Abdominal CT · axial view · W/L 400/40 HU · 512x512 px
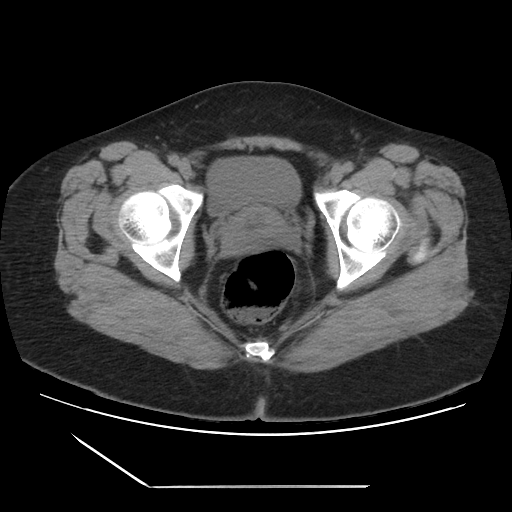

Boxes: x1:y1:x2:y2 in pixels. 2 labeled organs on this slice — bladder at 207:157:301:215; prostate/uterus at 223:206:288:250.